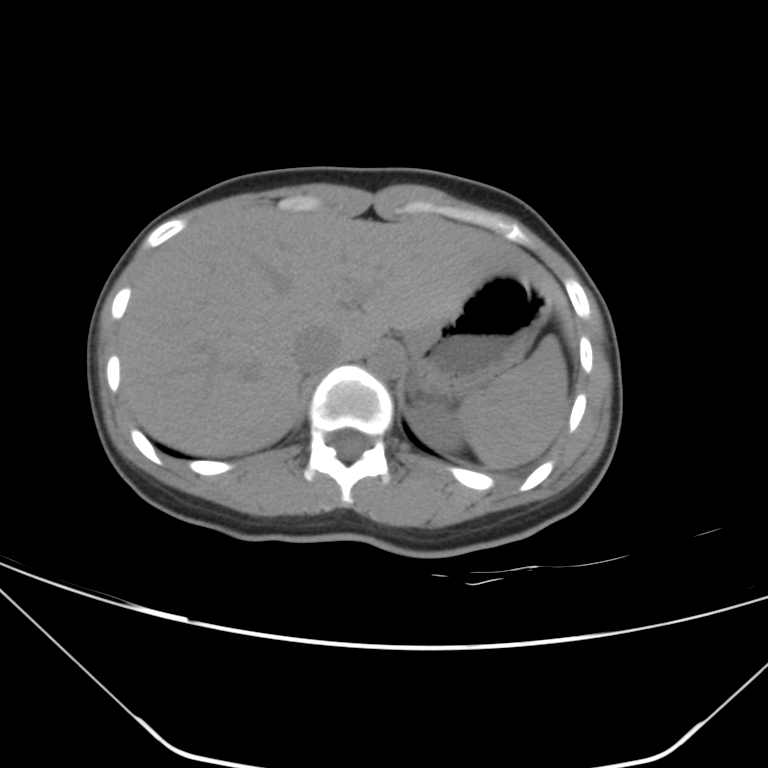

CT, abdomen/pelvis — axial view — 768x768 px — Brilliance16 scanner
Boxes: x1 y1 x2 y2 (pixel coords, space-separated).
spleen: 457 337 569 467
left kidney: 411 404 463 449
liver: 119 207 576 455
stomach: 406 271 551 394
aorta: 368 343 403 377
inferior vena cava: 293 328 344 372